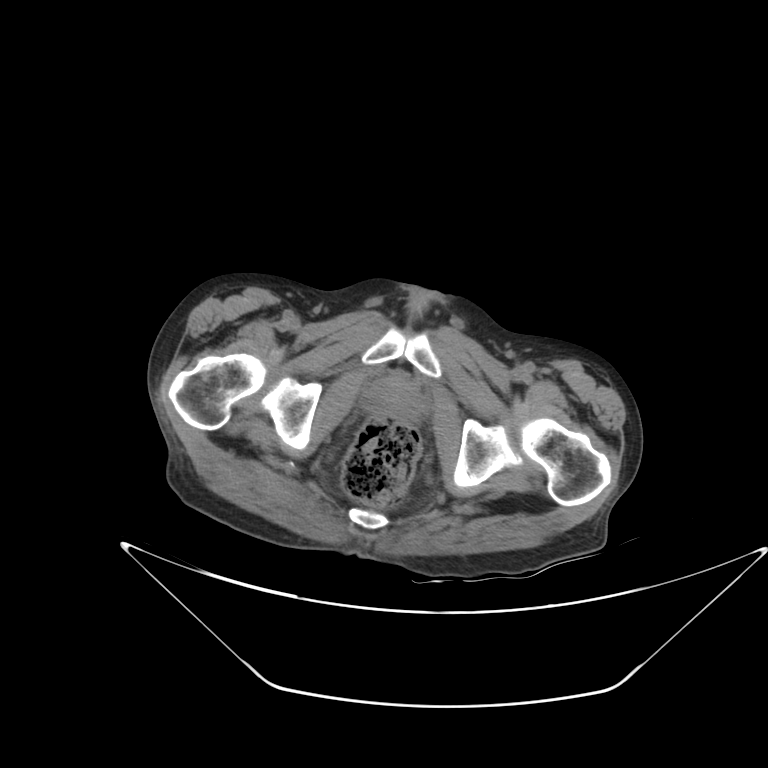
CT, abdomen/pelvis; Axial slice 11/99; soft-tissue window; 768x768 px
{"organs":{"prostate/uterus":[364,376,422,421]}}